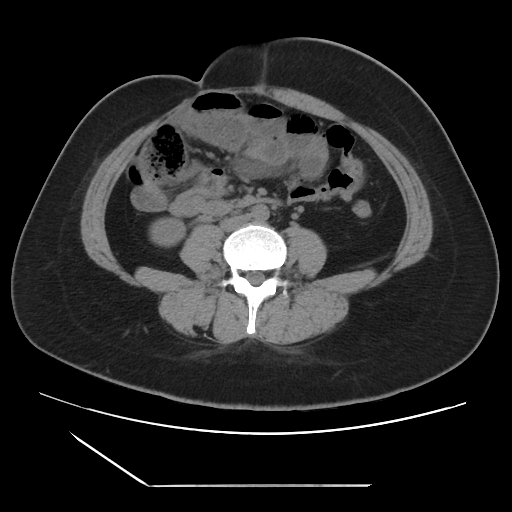

Computed tomography, abdomen; Axial slice 41/88; soft-tissue window; 15 organs annotated in this scan (a whole-scan count: organs this slice does not pass through have no box)
One row per box, in pixels: columns x1 and y1 give the top-left corner, x2 and y2 the bottom-right.
| organ | x1 | y1 | x2 | y2 |
|---|---|---|---|---|
| right kidney | 149 | 218 | 185 | 246 |
| aorta | 251 | 204 | 269 | 221 |
| inferior vena cava | 221 | 214 | 249 | 231 |